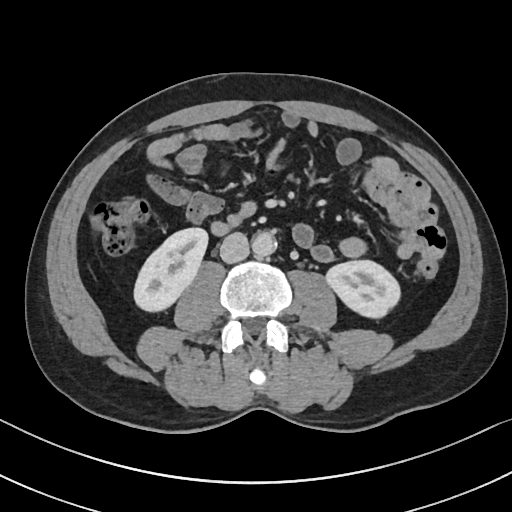 CT, abdomen/pelvis · Axial slice 103/291 · W/L 400/40 HU · 512x512 px
<organs><organ name="right kidney" x1="134" y1="228" x2="207" y2="309"/><organ name="left kidney" x1="325" y1="261" x2="400" y2="318"/><organ name="aorta" x1="252" y1="231" x2="275" y2="255"/><organ name="inferior vena cava" x1="220" y1="233" x2="249" y2="263"/></organs>